CT, abdomen/pelvis. axial view. 512x512 px. SOMATOM Force scanner. scan has 15 labeled organs (a whole-scan count: organs this slice does not pass through have no box)
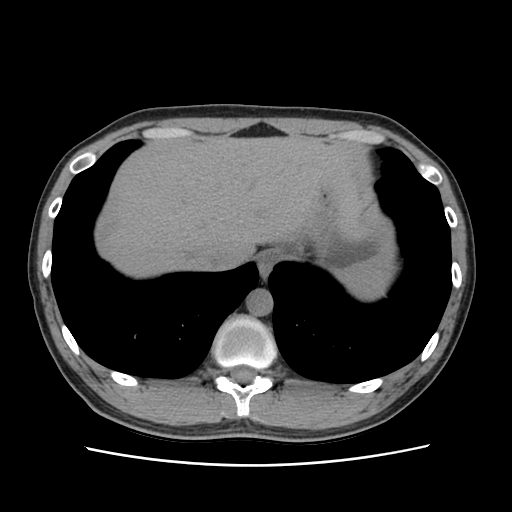
Coordinates as <box>x1,y1,x2,y2</box> in pixels.
inferior vena cava: <box>206,243,242,269</box>
liver: <box>103,136,362,277</box>
spleen: <box>336,248,395,300</box>
stomach: <box>288,187,391,264</box>
aorta: <box>246,289,273,315</box>
esophagus: <box>258,250,276,278</box>